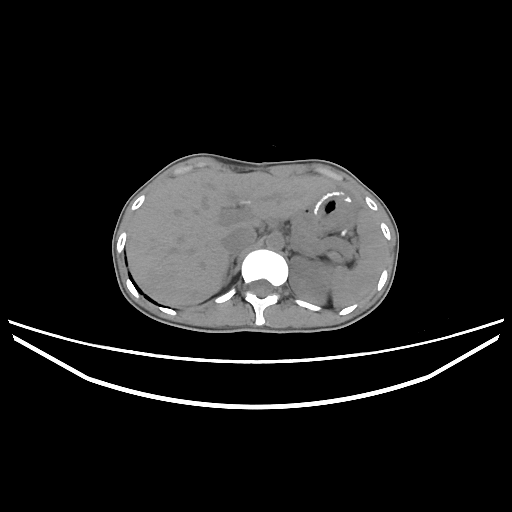

Abdominal CT; axial view; soft-tissue window; 15 organs annotated in this scan (a whole-scan count: organs this slice does not pass through have no box)
<organs><organ name="aorta" x1="266" y1="234" x2="283" y2="250"/><organ name="left adrenal gland" x1="290" y1="245" x2="313" y2="258"/><organ name="inferior vena cava" x1="223" y1="227" x2="256" y2="255"/><organ name="liver" x1="126" y1="171" x2="336" y2="306"/><organ name="left kidney" x1="289" y1="256" x2="330" y2="304"/><organ name="stomach" x1="301" y1="189" x2="351" y2="235"/><organ name="spleen" x1="327" y1="209" x2="385" y2="307"/><organ name="pancreas" x1="291" y1="215" x2="324" y2="251"/><organ name="right adrenal gland" x1="223" y1="256" x2="234" y2="281"/></organs>